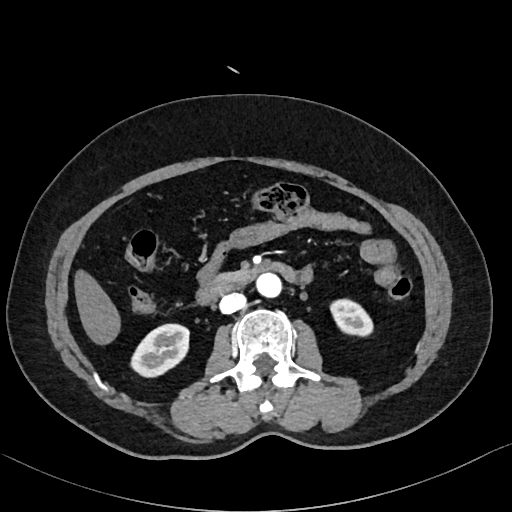 Computed tomography, abdomen. Axial slice 127/222. acquired on SOMATOM Force
{"organs":{"right kidney":[132,324,188,375],"left kidney":[330,301,373,336],"liver":[75,272,119,343],"aorta":[255,273,281,298],"inferior vena cava":[219,293,245,313],"pancreas":[216,270,253,281],"duodenum":[198,261,296,304]}}